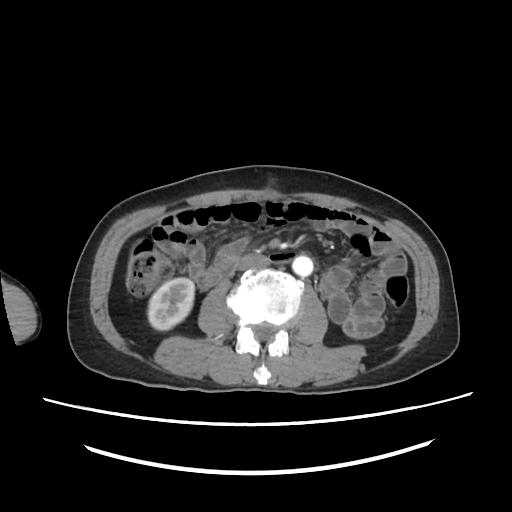
Computed tomography, abdomen; Axial slice 60/132; soft-tissue window (W 400 / L 40)
Organ boxes in pixel coordinates; each row gives the top-left (x1, y1) and bottom-right (x2, y2) corners.
| organ | x1 | y1 | x2 | y2 |
|---|---|---|---|---|
| right kidney | 148 | 277 | 193 | 329 |
| aorta | 293 | 256 | 312 | 276 |
| inferior vena cava | 237 | 253 | 269 | 271 |